Computed tomography, abdomen · axial view · scan has 15 labeled organs (counted over the whole 3D scan, not this slice; an organ is boxed only where this slice passes through it)
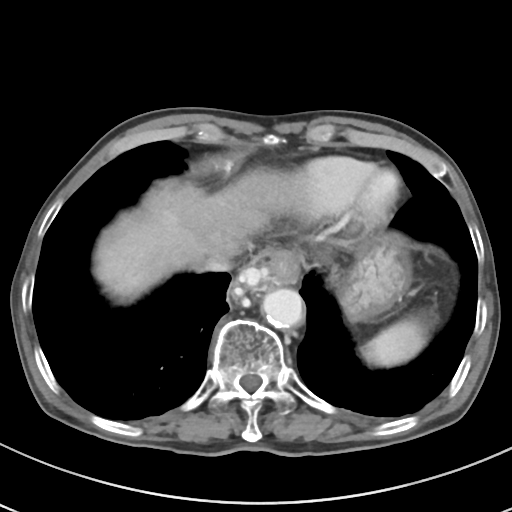
Bounding boxes in pixels, one row per box: x1, y1 is the top-left corner and x2, y2 the bottom-right.
| organ | x1 | y1 | x2 | y2 |
|---|---|---|---|---|
| esophagus | 227 | 251 | 300 | 312 |
| spleen | 362 | 318 | 429 | 366 |
| inferior vena cava | 199 | 249 | 236 | 272 |
| liver | 94 | 170 | 293 | 298 |
| stomach | 338 | 237 | 411 | 320 |
| aorta | 262 | 288 | 303 | 327 |